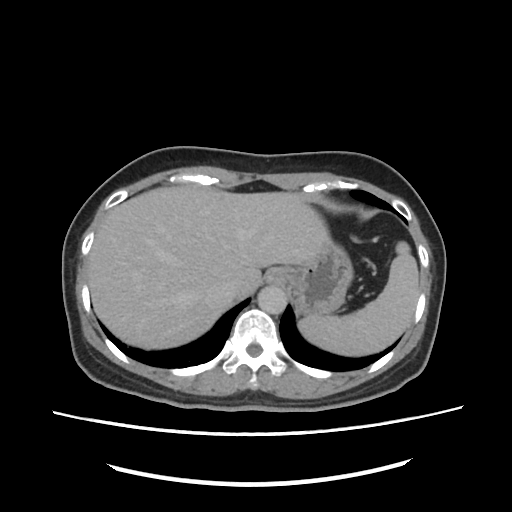 Computed tomography, abdomen; axial view; 50-year-old female patient
Boxes are (x1, y1, x2, y2) in pixels.
Organ bounding boxes:
- spleen: (298, 242, 419, 355)
- inferior vena cava: (209, 278, 234, 299)
- stomach: (287, 246, 351, 314)
- liver: (88, 184, 332, 348)
- esophagus: (264, 267, 288, 285)
- aorta: (258, 284, 288, 314)